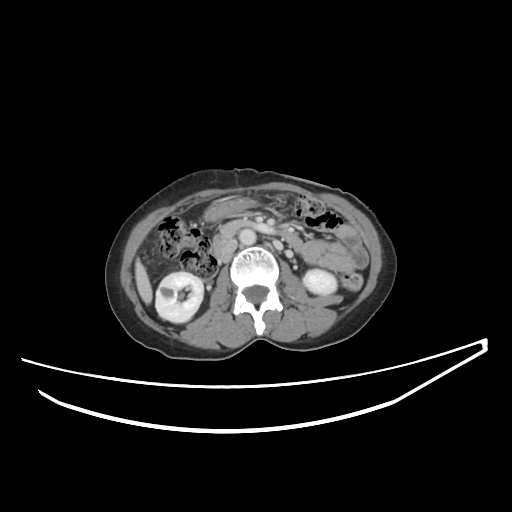

Computed tomography, abdomen; axial view; 512x512 px; 62-year-old female patient; scan has 15 labeled organs (that count is for the whole scan; organs this slice misses have no box)
Coordinates as <box>x1,y1,x2,y2</box> in pixels.
Organ bounding boxes:
- right kidney: <box>155,272,203,322</box>
- left kidney: <box>303,269,337,294</box>
- liver: <box>135,259,152,304</box>
- stomach: <box>205,199,255,220</box>
- aorta: <box>239,229,256,245</box>
- inferior vena cava: <box>220,239,237,260</box>
- pancreas: <box>221,219,251,235</box>
- duodenum: <box>212,230,302,257</box>